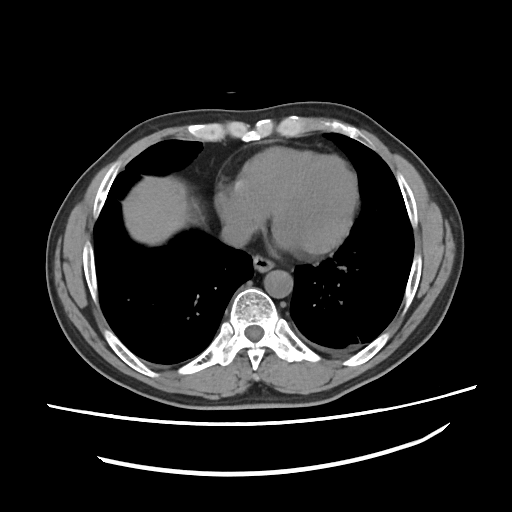

CT, abdomen/pelvis · Axial slice 90/92 · 512x512 px · 45-year-old male patient
<organs><organ name="esophagus" x1="253" y1="255" x2="273" y2="272"/><organ name="liver" x1="122" y1="177" x2="188" y2="242"/><organ name="aorta" x1="264" y1="271" x2="292" y2="299"/><organ name="inferior vena cava" x1="222" y1="223" x2="250" y2="247"/></organs>